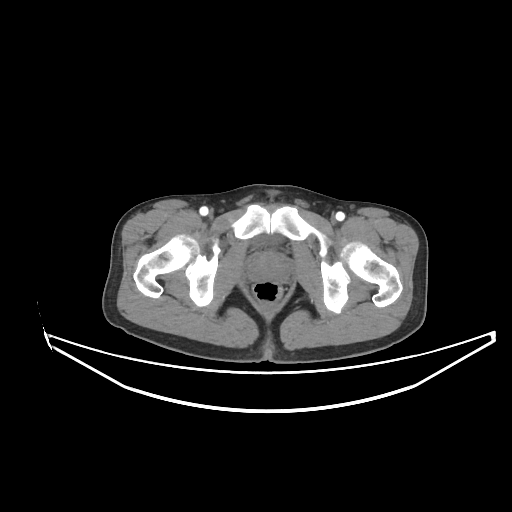 Computed tomography, abdomen. axial view. 512x512 px. scan has 15 labeled organs (that count is for the whole scan; organs this slice misses have no box)
<organs><organ name="prostate/uterus" x1="249" y1="253" x2="288" y2="280"/></organs>